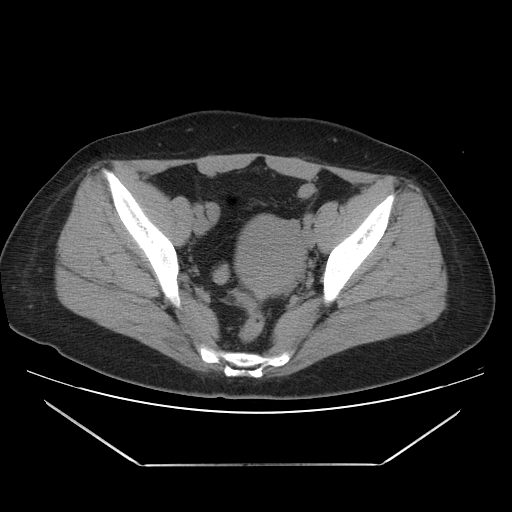 Computed tomography, abdomen — axial plane, index 20
{"organs":{"prostate/uterus":[237,217,305,296]}}